CT abdomen · axial view · 512x512 px · 15 organs annotated in this scan (counted over the whole 3D scan, not this slice; an organ is boxed only where this slice passes through it)
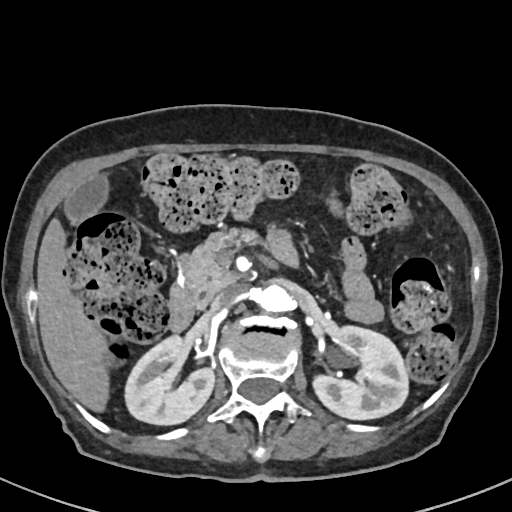 <organs><organ name="right kidney" x1="125" y1="334" x2="215" y2="424"/><organ name="left kidney" x1="311" y1="325" x2="407" y2="420"/><organ name="gall bladder" x1="64" y1="175" x2="106" y2="224"/><organ name="liver" x1="37" y1="218" x2="108" y2="414"/><organ name="aorta" x1="255" y1="285" x2="290" y2="314"/><organ name="inferior vena cava" x1="211" y1="284" x2="245" y2="310"/><organ name="pancreas" x1="179" y1="227" x2="262" y2="302"/><organ name="duodenum" x1="169" y1="282" x2="196" y2="331"/></organs>